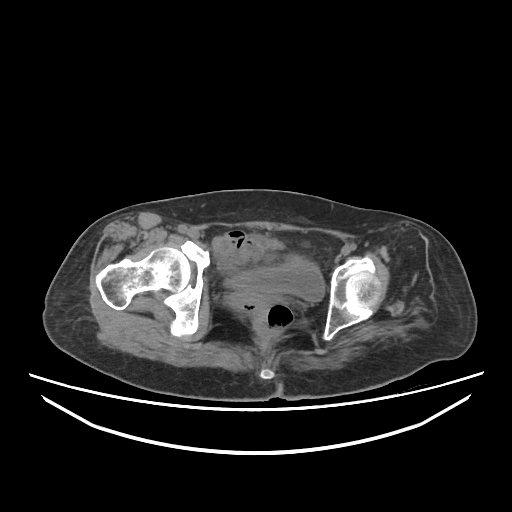
CT, abdomen/pelvis — axial view — 49-year-old female patient
Boxes are (x1, y1, x2, y2) in pixels.
bladder: (225, 256, 324, 301)